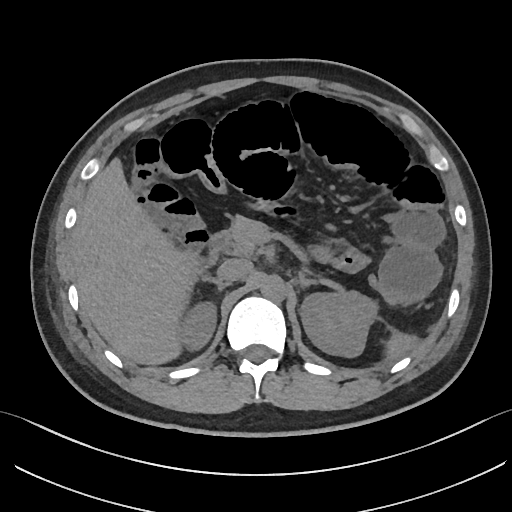

Computed tomography, abdomen; Axial slice 168/234
Bounding boxes in pixels, one row per box: x1, y1 is the top-left corner and x2, y2 the bottom-right.
| organ | x1 | y1 | x2 | y2 |
|---|---|---|---|---|
| spleen | 388 | 334 | 419 | 362 |
| right kidney | 177 | 304 | 215 | 349 |
| left kidney | 300 | 292 | 375 | 356 |
| liver | 71 | 156 | 203 | 364 |
| aorta | 261 | 276 | 287 | 302 |
| inferior vena cava | 217 | 259 | 251 | 283 |
| pancreas | 228 | 215 | 377 | 306 |
| right adrenal gland | 201 | 275 | 233 | 297 |
| left adrenal gland | 299 | 276 | 313 | 294 |
| duodenum | 208 | 229 | 230 | 257 |